CT abdomen; axial view; soft-tissue window (W 400 / L 40); 15 organs annotated in this scan (a whole-scan count: organs this slice does not pass through have no box)
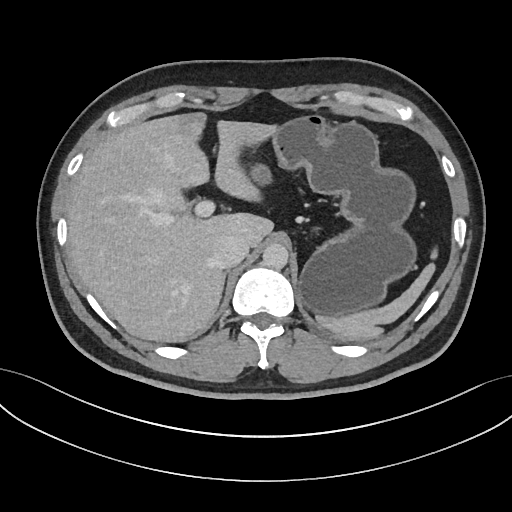 {"organs":{"spleen":[316,249,437,338],"liver":[66,113,281,340],"stomach":[255,116,415,318],"aorta":[263,243,288,269],"inferior vena cava":[213,235,248,268]}}